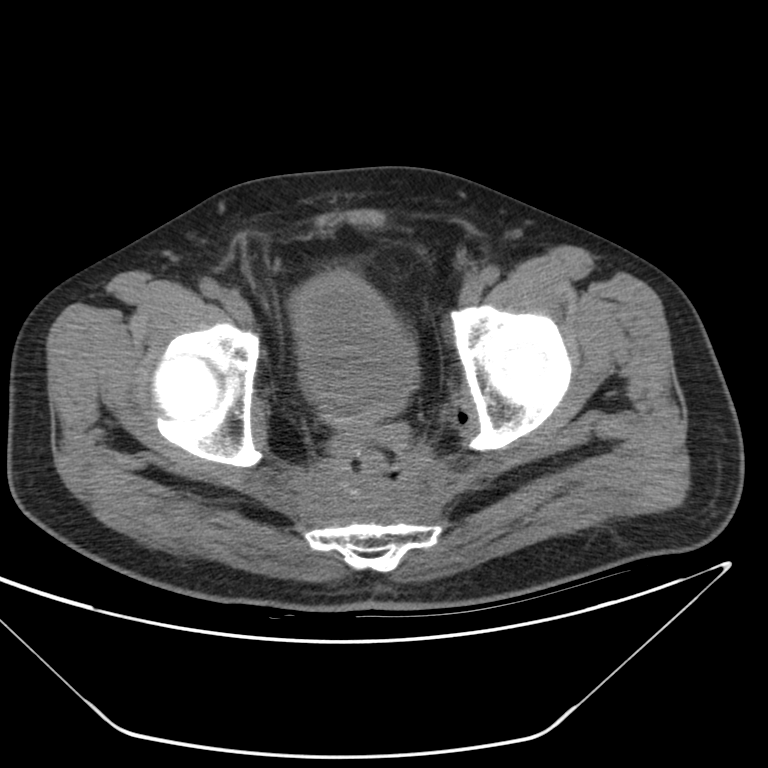

CT, abdomen/pelvis; Axial slice 20/103; soft-tissue window (W 400 / L 40); 50-year-old male patient
{"organs":{"bladder":[296,277,413,425]}}